CT, abdomen/pelvis. axial plane, index 15. W/L 400/40 HU. 60-year-old male patient
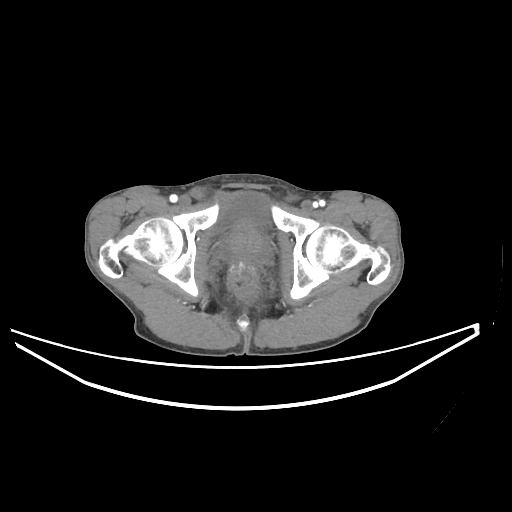
Organ boxes in pixel coordinates; each row gives the top-left (x1, y1) and bottom-right (x2, y2) corners.
| organ | x1 | y1 | x2 | y2 |
|---|---|---|---|---|
| bladder | 214 | 192 | 270 | 232 |
| prostate/uterus | 223 | 227 | 268 | 263 |